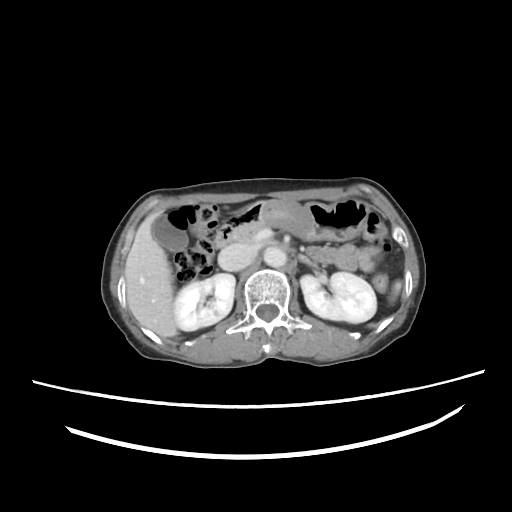
CT, abdomen/pelvis · axial view · 512x512 px · scan has 15 labeled organs (that count is for the whole scan; organs this slice misses have no box)
Coordinates as <box>x1,y1,x2,y2</box> in pixels.
spleen: <box>393,280,401,299</box>
right kidney: <box>174,273,234,331</box>
left kidney: <box>301,273,376,322</box>
gall bladder: <box>151,214,189,251</box>
liver: <box>124,211,177,337</box>
stomach: <box>251,199,367,240</box>
aorta: <box>264,246,286,266</box>
inferior vena cava: <box>218,244,252,272</box>
pancreas: <box>229,222,265,244</box>
left adrenal gland: <box>297,254,316,267</box>
duodenum: <box>216,208,256,249</box>